CT, abdomen/pelvis; axial view; 768x768 px; scan has 15 labeled organs (that count is for the whole scan; organs this slice misses have no box)
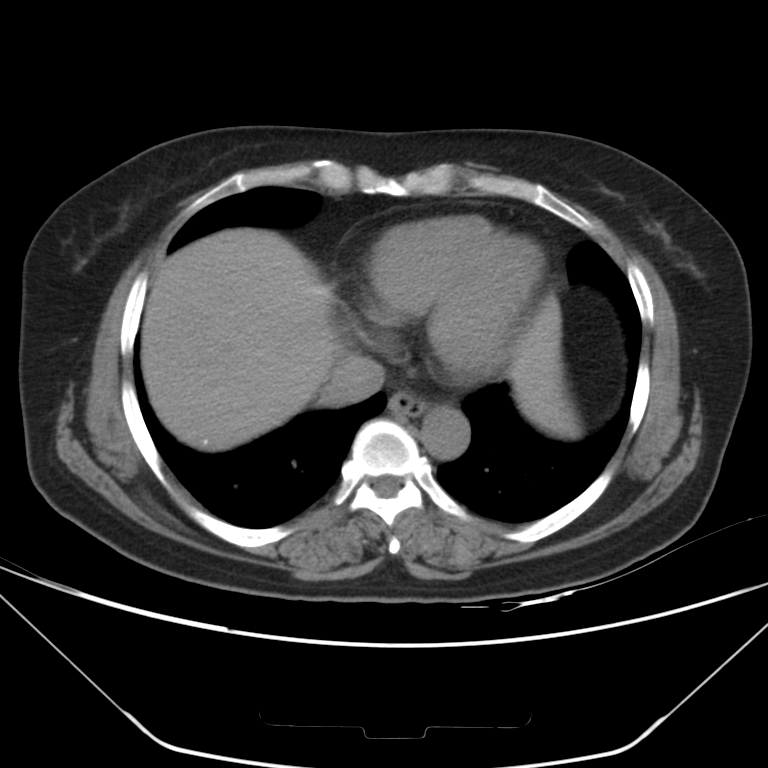

Boxes are (x1, y1, x2, y2) in pixels.
Organ bounding boxes:
- esophagus: (388, 390, 428, 417)
- liver: (141, 229, 576, 451)
- aorta: (421, 406, 469, 459)
- inferior vena cava: (321, 354, 385, 405)